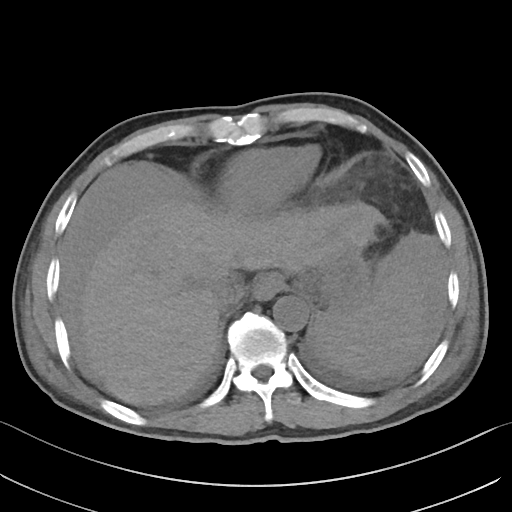

CT abdomen. axial plane, index 81. abdomen soft-tissue window. 512x512 px. acquired on SOMATOM Force
Bounding boxes as [x1, y1, x2, y2] in pixel coordinates.
spleen: [313, 263, 425, 379]
esophagus: [252, 273, 284, 300]
liver: [80, 201, 386, 406]
stomach: [312, 248, 368, 310]
aorta: [273, 295, 308, 331]
inferior vena cava: [210, 279, 242, 311]